CT, abdomen/pelvis — axial view — 512x512 px
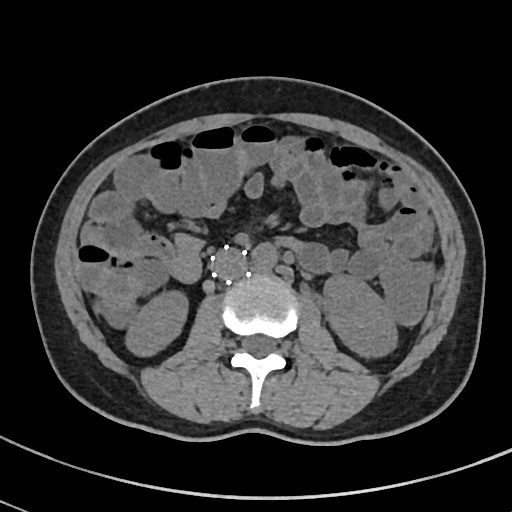

Bounding boxes as [x1, y1, x2, y2] in pixel coordinates. The annotated organs in this slice are: right kidney at [127, 293, 186, 353], left kidney at [322, 275, 395, 356], aorta at [251, 242, 277, 270], inferior vena cava at [212, 247, 247, 279].